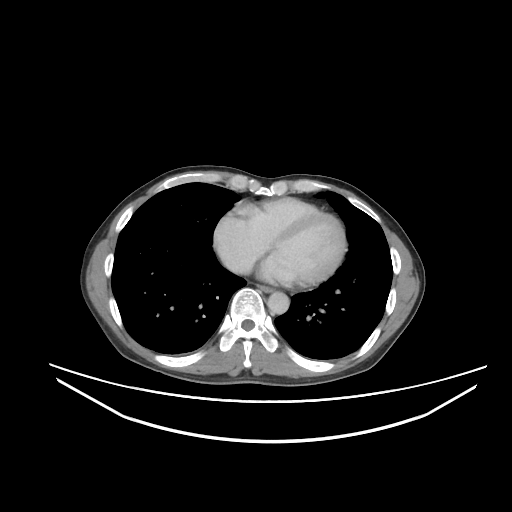 CT of the abdomen reaching into the lower chest, slice just above the liver and spleen. axial view
The heart and lungs are never labeled in this dataset, so they have no box on this slice.
<organs><organ name="esophagus" x1="259" y1="286" x2="273" y2="292"/><organ name="aorta" x1="267" y1="291" x2="289" y2="314"/></organs>